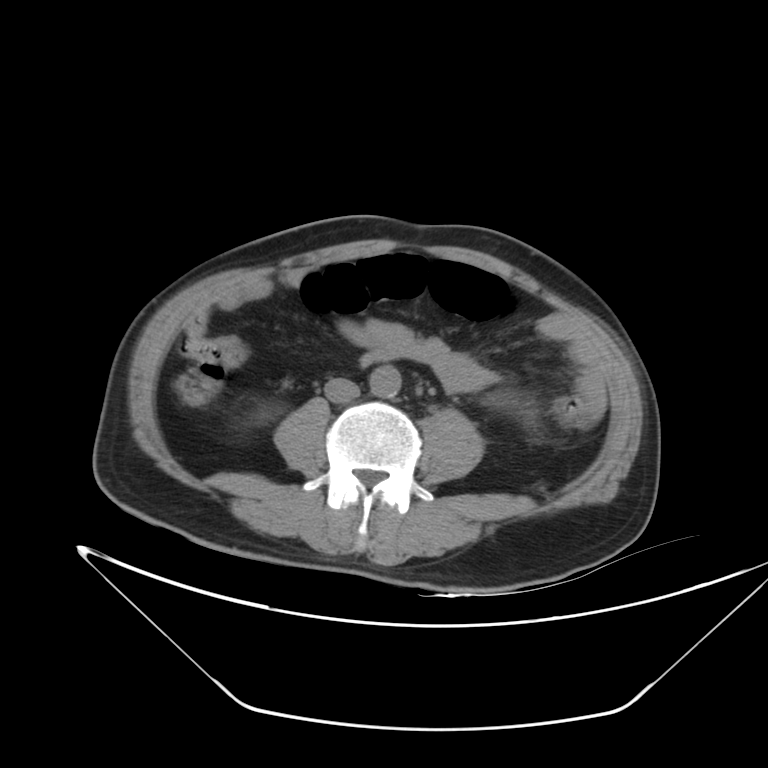

CT, abdomen/pelvis. Axial slice 53/107. soft-tissue window. 768x768 px
One row per box, in pixels: columns x1 and y1 give the top-left corner, x2 and y2 the bottom-right.
| organ | x1 | y1 | x2 | y2 |
|---|---|---|---|---|
| inferior vena cava | 324 | 378 | 358 | 401 |
| aorta | 369 | 365 | 401 | 397 |